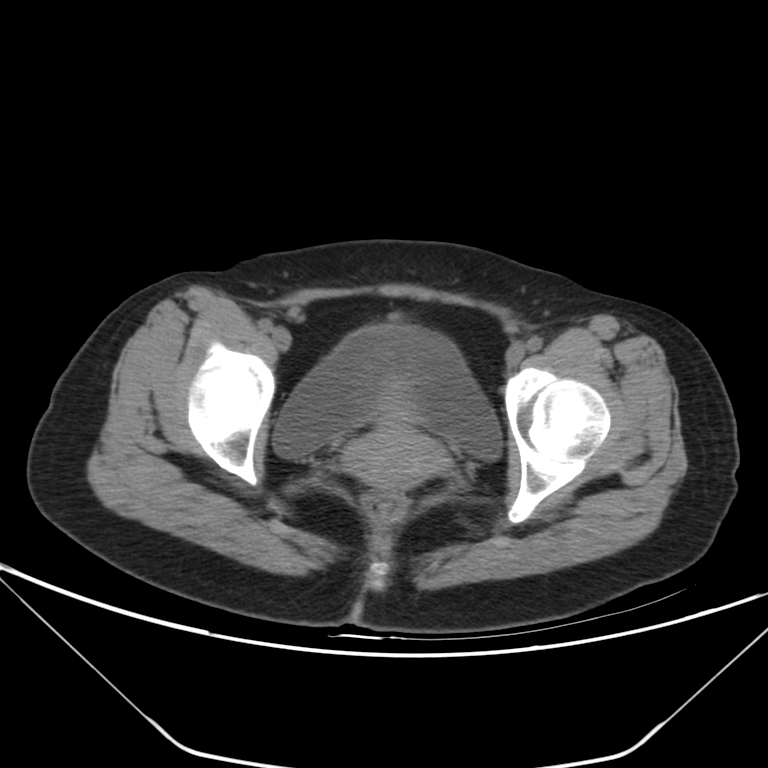
Abdominal CT — Axial slice 10/90 — acquired on Brilliance16
Boxes: x1:y1:x2:y2 in pixels.
Organ bounding boxes:
- bladder: 272:324:503:460
- prostate/uterus: 343:376:449:490